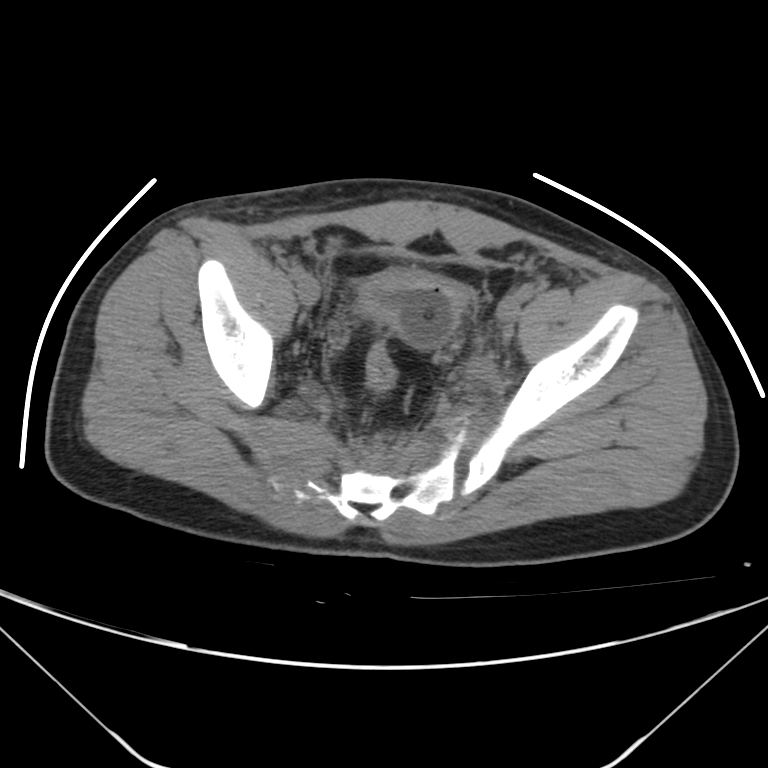
CT, abdomen/pelvis; Axial slice 24/100; soft-tissue window (W 400 / L 40)
<organs><organ name="bladder" x1="357" y1="271" x2="465" y2="347"/></organs>